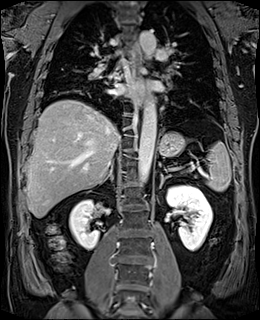 Magnetic resonance imaging, abdomen. coronal plane, index 51. 1st–99th percentile window. 260x320 px
Organ boxes in pixel coordinates; each row gives the top-left (x1, y1) and bottom-right (x2, y2) corners.
| organ | x1 | y1 | x2 | y2 |
|---|---|---|---|---|
| left adrenal gland | 159 | 173 | 171 | 188 |
| esophagus | 132 | 43 | 142 | 81 |
| esophagus | 134 | 88 | 143 | 105 |
| stomach | 158 | 132 | 185 | 157 |
| right kidney | 69 | 199 | 99 | 249 |
| pancreas | 170 | 171 | 174 | 171 |
| right adrenal gland | 99 | 165 | 112 | 184 |
| aorta | 138 | 99 | 156 | 183 |
| aorta | 139 | 31 | 156 | 58 |
| left kidney | 167 | 185 | 212 | 251 |
| spleen | 206 | 141 | 231 | 191 |
| liver | 26 | 99 | 119 | 218 |